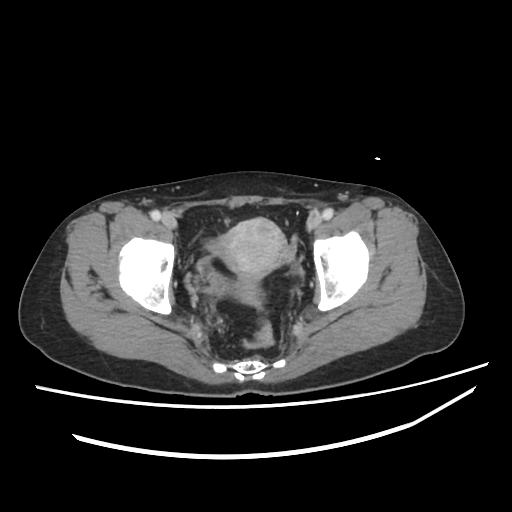
CT, abdomen/pelvis. axial view. Aquilion ONE scanner
Bounding boxes as [x1, y1, x2, y2] in pixel coordinates.
Organ bounding boxes:
- prostate/uterus: [218, 218, 287, 299]